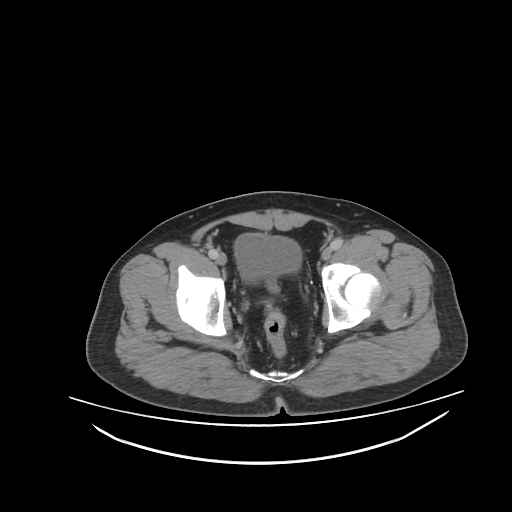

CT, abdomen/pelvis · axial view · acquired on Aquilion ONE · 15 organs annotated in this scan (a whole-scan count: organs this slice does not pass through have no box)
{"organs":{"bladder":[235,235,299,281]}}